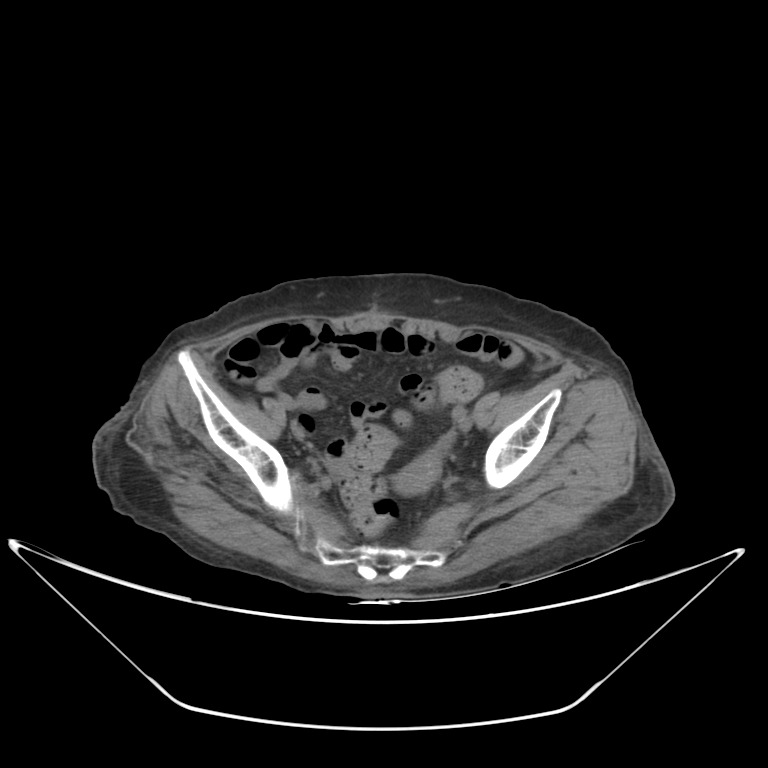
Computed tomography, abdomen. Axial slice 24/79. W/L 400/40 HU. 768x768 px
Each box given as x1,y1,x2,y2.
Organ bounding boxes:
- prostate/uterus: x1=397, y1=450, x2=440, y2=492